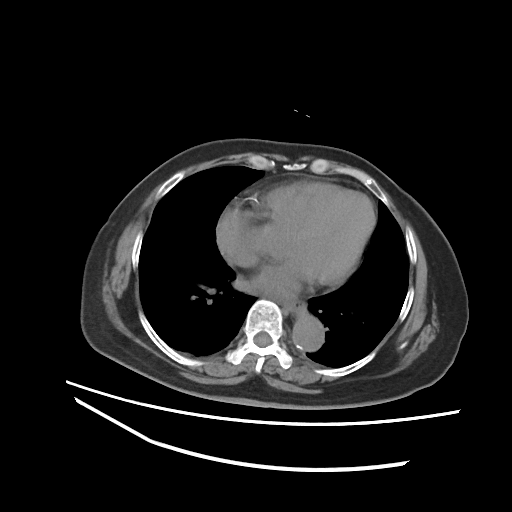
CT of the abdomen reaching into the lower chest, slice just above the liver and spleen; Axial slice 84/84; soft-tissue window, W/L 400/40
The heart and lungs are never labeled in this dataset, so they have no box on this slice.
Boxes: x1:y1:x2:y2 in pixels.
Organ bounding boxes:
- esophagus: 270:293:306:315
- aorta: 292:314:324:350